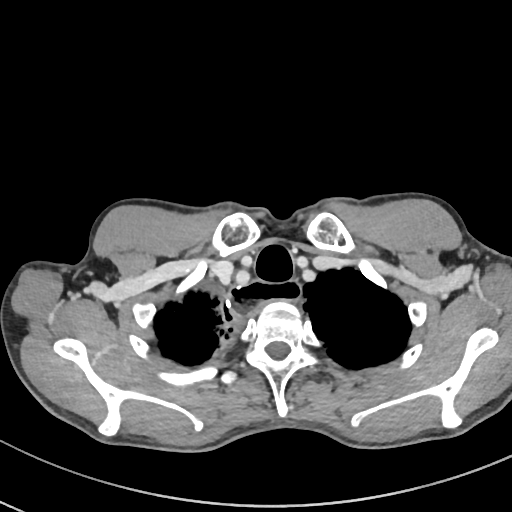
Chest-level CT slice, above the liver and spleen · axial view · W/L 400/40 HU
On a slice this high in the chest, this dataset labels only the esophagus and the aorta, and each is boxed only where it is labeled; the heart, lungs and other chest structures are not labeled.
{"organs":{"esophagus":[227,280,301,317]}}